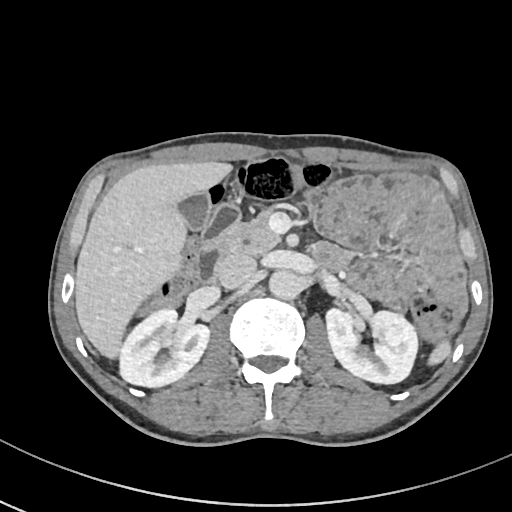

Computed tomography, abdomen — axial view — soft-tissue window — acquired on SOMATOM Force
Coordinates as <box>x1,y1,x2,y2</box> in pixels. Labeled organs on this slice: duodenum at <box>192,205,241,283</box>, gall bladder at <box>177,192,211,229</box>, pancreas at <box>220,212,280,256</box>, aorta at <box>269,268,300,298</box>, spleen at <box>428,339,450,365</box>, right kidney at <box>118,306,209,386</box>, liver at <box>76,162,230,357</box>, left kidney at <box>323,309,419,383</box>, inferior vena cava at <box>217,252,256,289</box>.